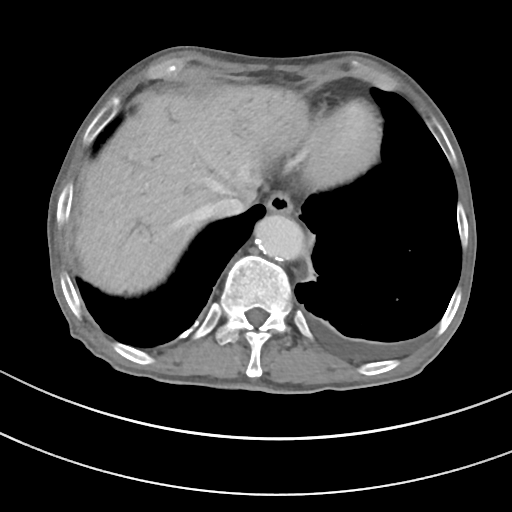
CT abdomen — axial view — 15 organs annotated in this scan (that count is for the whole scan; organs this slice misses have no box)
Boxes: x1:y1:x2:y2 in pixels.
esophagus: 266:191:293:214
liver: 70:85:309:293
aorta: 254:214:304:260
inferior vena cava: 208:195:255:218